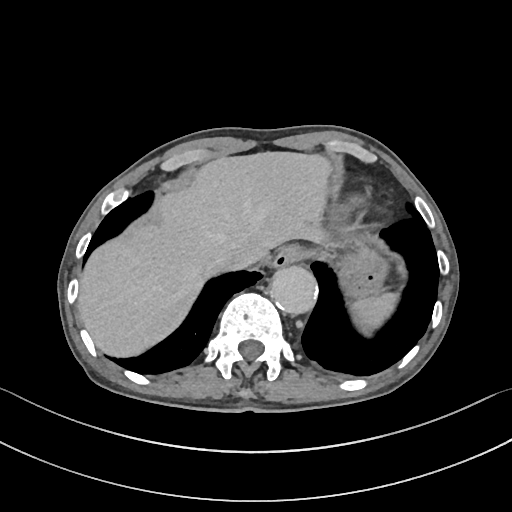

CT, abdomen/pelvis — axial view — soft-tissue window (W 400 / L 40)
Boxes: x1:y1:x2:y2 in pixels.
stomach: 337:246:389:298
inferior vena cava: 212:249:251:271
liver: 77:152:330:357
spleen: 351:292:397:332
aorta: 269:265:317:314
esophagus: 270:245:307:268